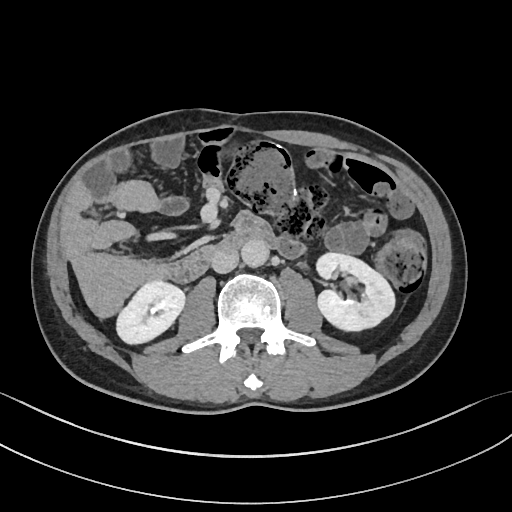 CT abdomen. axial view. abdomen soft-tissue window. acquired on SOMATOM Force. 14 organs annotated in this scan (counted over the whole 3D scan, not this slice; an organ is boxed only where this slice passes through it)
Organ boxes in pixel coordinates; each row gives the top-left (x1, y1) and bottom-right (x2, y2) corners.
| organ | x1 | y1 | x2 | y2 |
|---|---|---|---|---|
| inferior vena cava | 211 | 247 | 238 | 273 |
| left kidney | 316 | 252 | 394 | 331 |
| duodenum | 166 | 228 | 279 | 282 |
| aorta | 241 | 240 | 269 | 267 |
| right kidney | 117 | 281 | 185 | 343 |